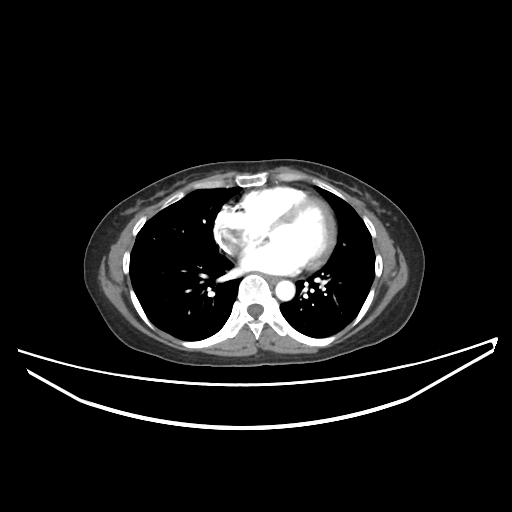 CT of the abdomen reaching into the lower chest, slice just above the liver and spleen · axial view · 37-year-old female patient · scan has 15 labeled organs (a whole-scan count: organs this slice does not pass through have no box)
Of the structures in the chest, this dataset labels only the esophagus, the aorta and the inferior vena cava; the heart and lungs have no label.
Box edges are left/top/right/bottom in pixels.
aorta: left=275, top=280, right=295, bottom=300
esophagus: left=267, top=277, right=278, bottom=283